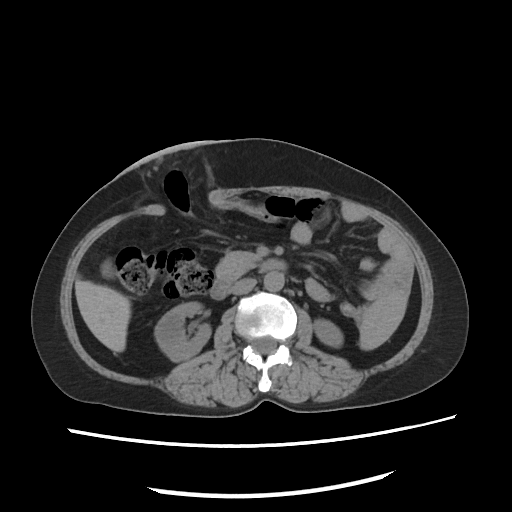

CT abdomen — axial view — soft-tissue window (W 400 / L 40)
{"organs":{"spleen":[358,289,406,350],"right kidney":[155,302,208,360],"left kidney":[311,319,343,347],"gall bladder":[102,262,112,272],"liver":[74,277,131,352],"aorta":[262,272,285,292],"inferior vena cava":[227,278,257,295],"pancreas":[216,251,259,280],"duodenum":[211,260,286,298]}}